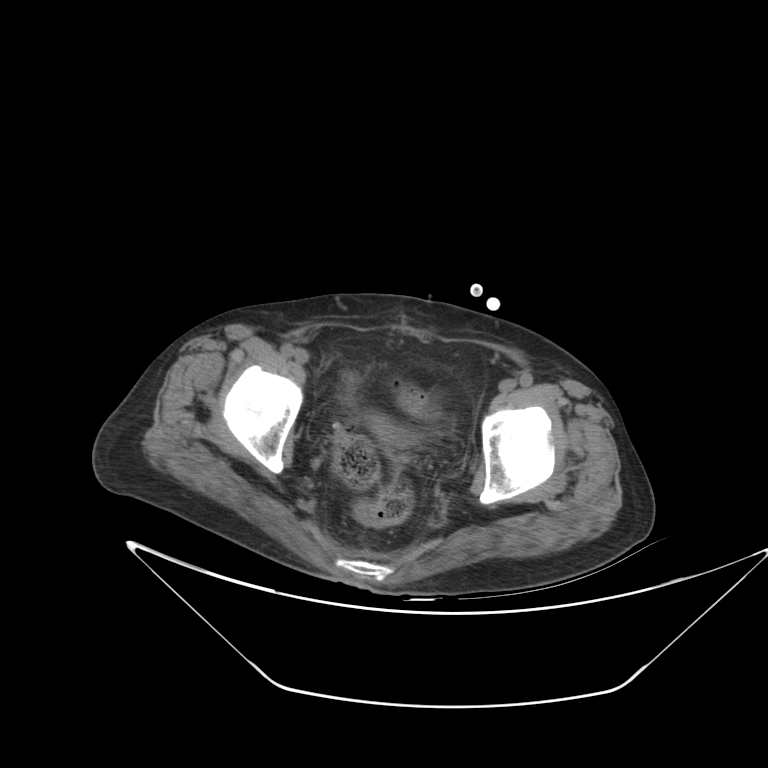

Computed tomography, abdomen — axial view — W/L 400/40 HU
Boxes: x1:y1:x2:y2 in pixels.
Organ bounding boxes:
- prostate/uterus: 372:420:393:437